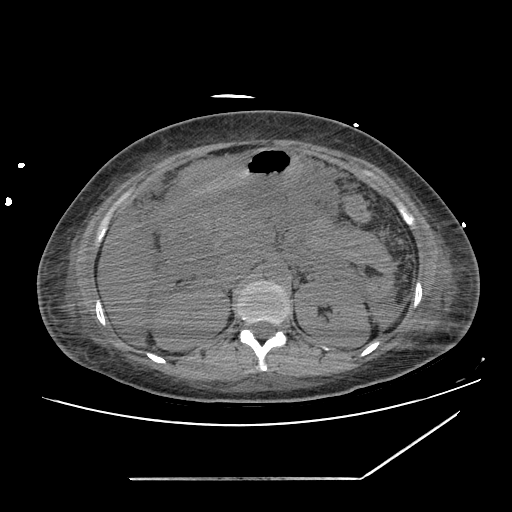
CT abdomen; axial view; soft-tissue window; 15 organs annotated in this scan (a whole-scan count: organs this slice does not pass through have no box)
<organs><organ name="right kidney" x1="151" y1="289" x2="229" y2="350"/><organ name="left kidney" x1="295" y1="279" x2="369" y2="347"/><organ name="liver" x1="98" y1="219" x2="150" y2="347"/><organ name="stomach" x1="175" y1="148" x2="303" y2="196"/><organ name="aorta" x1="265" y1="263" x2="286" y2="280"/><organ name="inferior vena cava" x1="216" y1="255" x2="252" y2="286"/><organ name="pancreas" x1="200" y1="205" x2="260" y2="248"/><organ name="duodenum" x1="165" y1="221" x2="199" y2="271"/></organs>